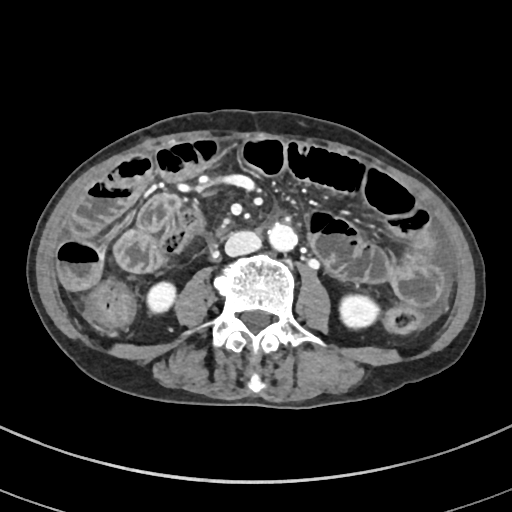
CT abdomen. axial plane, index 95
Boxes: x1 y1 x2 y2 (pixel coords, space-separated). 5 labeled organs on this slice — right kidney at 145 281 175 313; left kidney at 340 294 380 327; aorta at 267 222 297 253; inferior vena cava at 225 230 261 254; duodenum at 209 228 226 247.